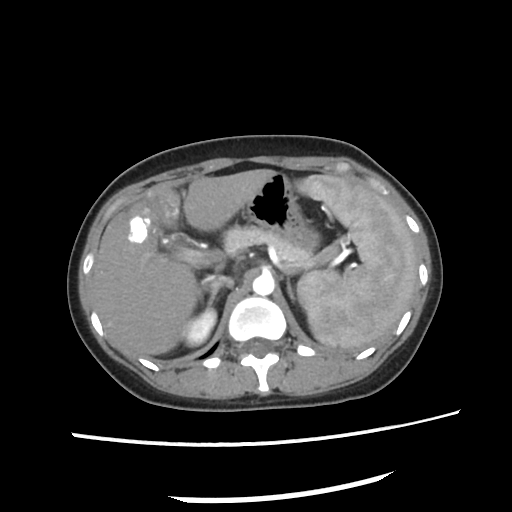

Computed tomography, abdomen — Axial slice 70/124 — 512x512 px
Box edges are left/top/right/bottom in pixels. 10 labeled organs on this slice — spleen at left=297, top=175, right=417, bottom=349; right kidney at left=183, top=288, right=220, bottom=345; gall bladder at left=159, top=215, right=201, bottom=249; liver at left=94, top=169, right=278, bottom=356; stomach at left=245, top=175, right=319, bottom=250; aorta at left=254, top=275, right=274, bottom=296; inferior vena cava at left=201, top=275, right=230, bottom=284; pancreas at left=222, top=224, right=312, bottom=264; right adrenal gland at left=200, top=284, right=218, bottom=304; left adrenal gland at left=288, top=282, right=293, bottom=298.